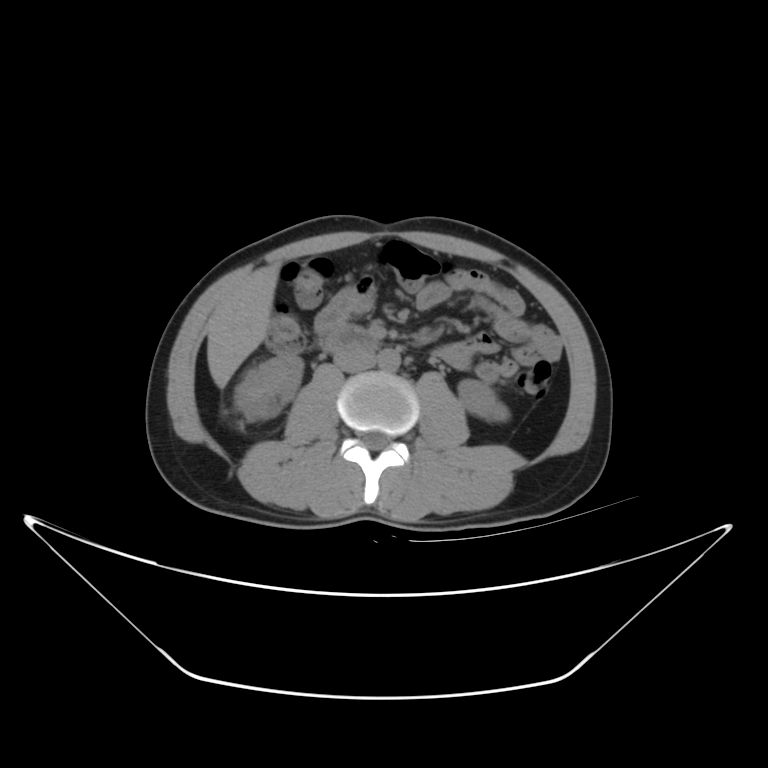

Computed tomography, abdomen · axial view · Brilliance16 scanner · 15 organs annotated in this scan (a whole-scan count: organs this slice does not pass through have no box)
Coordinates as <box>x1,y1,x2,y2</box> in pixels. 6 labeled organs on this slice — left kidney at <box>456,379,507,421</box>; inferior vena cava at <box>333,345,375,370</box>; aorta at <box>378,349,401,372</box>; duodenum at <box>322,326,379,350</box>; liver at <box>206,264,279,385</box>; right kidney at <box>236,354,302,419</box>.